CT, abdomen/pelvis; axial plane, index 138; acquired on SOMATOM Force
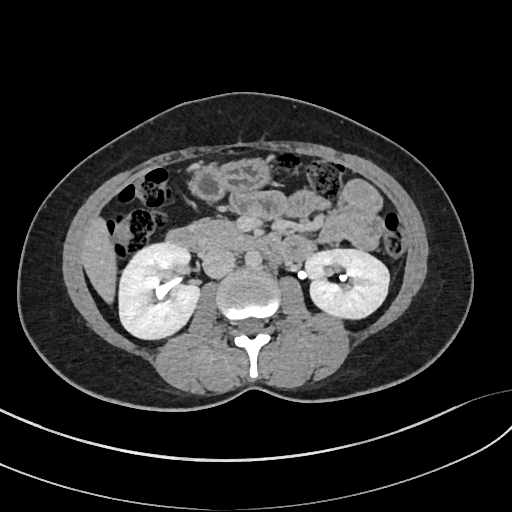

{"organs":{"left kidney":[305,249,389,318],"stomach":[190,158,269,199],"duodenum":[166,227,285,261],"right kidney":[118,242,199,339],"pancreas":[190,219,240,248],"aorta":[245,249,261,267],"liver":[81,217,116,303],"inferior vena cava":[202,248,235,278]}}